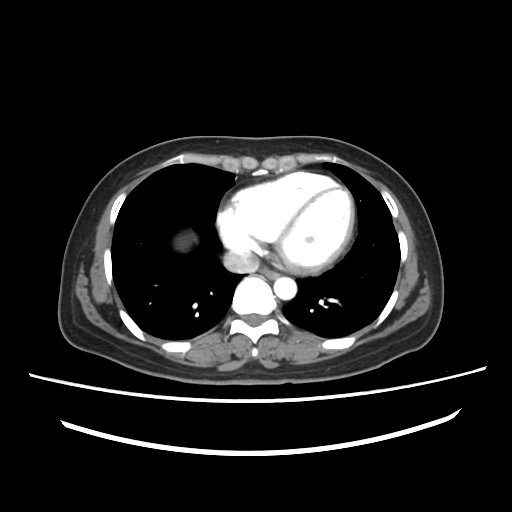
CT of the abdomen reaching into the lower chest, slice just above the liver and spleen. axial view. W/L 400/40 HU
Of the structures in the chest, this dataset labels only the esophagus, the aorta and the inferior vena cava; the heart and lungs have no label.
<organs><organ name="esophagus" x1="261" y1="267" x2="278" y2="278"/><organ name="aorta" x1="274" y1="277" x2="296" y2="299"/><organ name="inferior vena cava" x1="223" y1="250" x2="259" y2="273"/></organs>